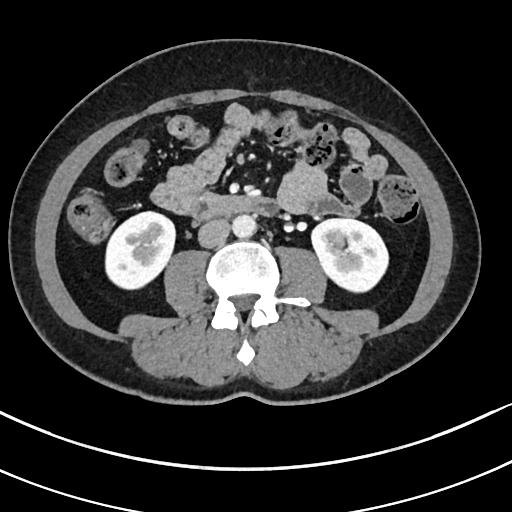
Abdominal CT · axial view
Boxes are (x1, y1, x2, y2) in pixels.
right kidney: (106, 211, 176, 288)
left kidney: (311, 218, 389, 294)
aorta: (231, 215, 255, 237)
inferior vena cava: (197, 218, 230, 248)
duodenum: (191, 193, 279, 219)